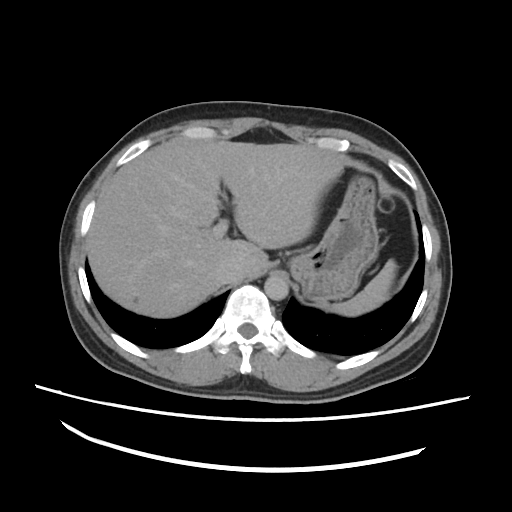
Abdominal CT — Axial slice 83/97 — soft-tissue window
Coordinates as <box>x1,y1,x2,y2</box> in pixels.
Organ bounding boxes:
- spleen: <box>326,259,398,316</box>
- liver: <box>86,140,344,318</box>
- stomach: <box>289,177,378,304</box>
- aorta: <box>264,275,288,300</box>
- inferior vena cava: <box>218,259,246,286</box>